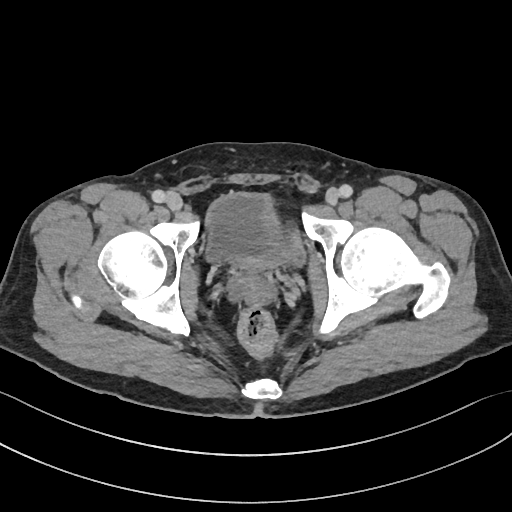
Abdominal CT. Axial slice 36/230. abdomen soft-tissue window. scan has 14 labeled organs (a whole-scan count: organs this slice does not pass through have no box)
Boxes are (x1, y1, x2, y2) in pixels. Labeled organs on this slice: bladder at (205, 192, 306, 270).